CT, abdomen/pelvis — axial view — abdomen soft-tissue window
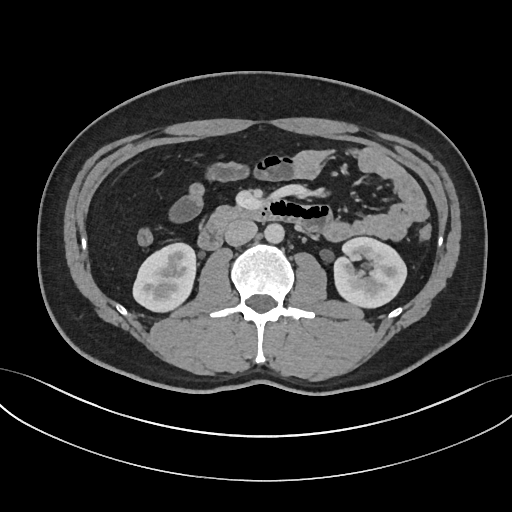

Box edges are left/top/right/bottom in pixels. Labeled organs on this slice: right kidney at left=133, top=243, right=195, bottom=311, left kidney at left=334, top=237, right=406, bottom=307, aorta at left=264, top=223, right=284, bottom=243, inferior vena cava at left=224, top=219, right=257, bottom=246, duodenum at left=198, top=200, right=332, bottom=249.